MRI, abdomen · axial view · 1st–99th percentile window · 320x260 px · Prisma scanner · 13 organs annotated in this scan (counted over the whole 3D scan, not this slice; an organ is boxed only where this slice passes through it)
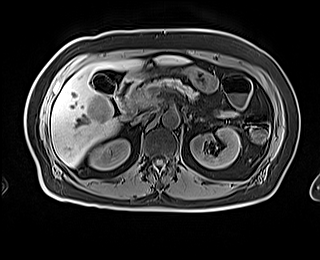
{"organs":{"right kidney":[89,139,130,169],"left kidney":[190,127,240,168],"gall bladder":[91,74,116,94],"liver":[51,55,187,167],"stomach":[125,66,218,93],"aorta":[162,111,179,127],"inferior vena cava":[132,111,152,124],"pancreas":[132,77,197,107],"duodenum":[116,79,141,119]}}